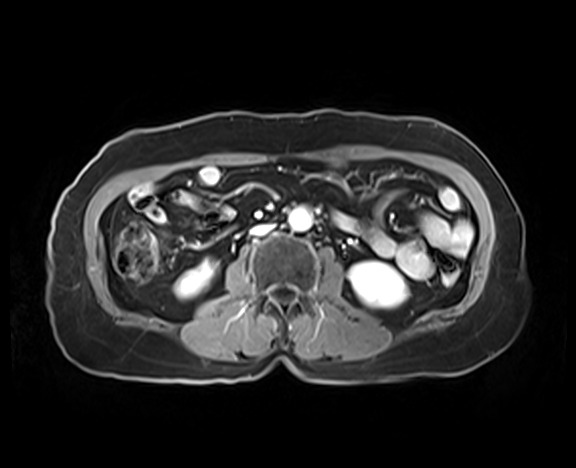
Abdominal MR — Axial slice 7/72 — 1st–99th percentile window
Each box given as x1,y1,x2,y2.
Organ bounding boxes:
- right kidney: x1=175, y1=259, x2=215, y2=298
- left kidney: x1=349, y1=261, x2=407, y2=307
- aorta: x1=288, y1=207, x2=311, y2=230
- inferior vena cava: x1=251, y1=225, x2=272, y2=235